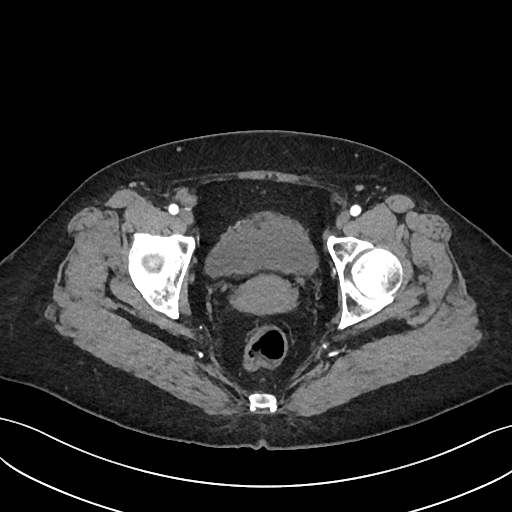

CT, abdomen/pelvis. axial view. soft-tissue window. 512x512 px
One row per box, in pixels: columns x1 and y1 give the top-left corner, x2 and y2 the bottom-right.
| organ | x1 | y1 | x2 | y2 |
|---|---|---|---|---|
| bladder | 205 | 213 | 317 | 276 |
| prostate/uterus | 234 | 274 | 295 | 314 |